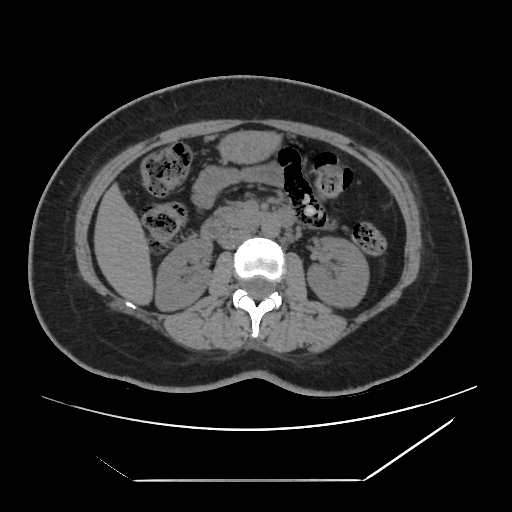 Computed tomography, abdomen — axial view — abdomen soft-tissue window — SOMATOM Force scanner
Organ boxes in pixel coordinates; each row gives the top-left (x1, y1) and bottom-right (x2, y2) corners.
| organ | x1 | y1 | x2 | y2 |
|---|---|---|---|---|
| right kidney | 155 | 239 | 212 | 311 |
| left kidney | 307 | 237 | 369 | 307 |
| liver | 94 | 183 | 153 | 305 |
| stomach | 218 | 131 | 281 | 163 |
| aorta | 261 | 220 | 279 | 237 |
| inferior vena cava | 219 | 229 | 250 | 249 |
| pancreas | 215 | 204 | 254 | 227 |
| duodenum | 201 | 207 | 295 | 240 |